Computed tomography, abdomen; axial view; abdomen soft-tissue window
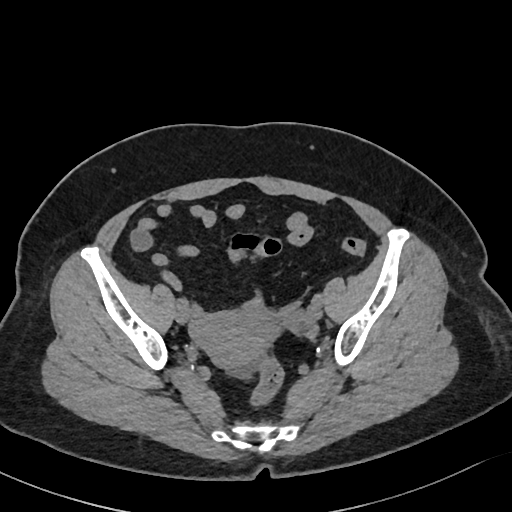

Coordinates as <box>x1,y1,x2,y2</box> in pixels.
Organ bounding boxes:
- prostate/uterus: <box>191,305,280,367</box>